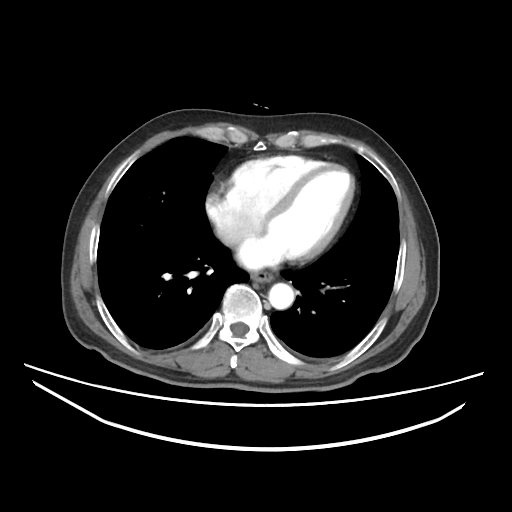 Abdominal CT; this slice is in the lower chest, just above the liver; axial view; 58-year-old male patient
The heart and lungs are never labeled in this dataset, so they have no box on this slice.
Bounding boxes in pixels, one row per box: x1, y1 is the top-left corner and x2, y2 the bottom-right.
| organ | x1 | y1 | x2 | y2 |
|---|---|---|---|---|
| esophagus | 251 | 271 | 272 | 282 |
| aorta | 268 | 283 | 294 | 309 |
| inferior vena cava | 217 | 227 | 234 | 243 |